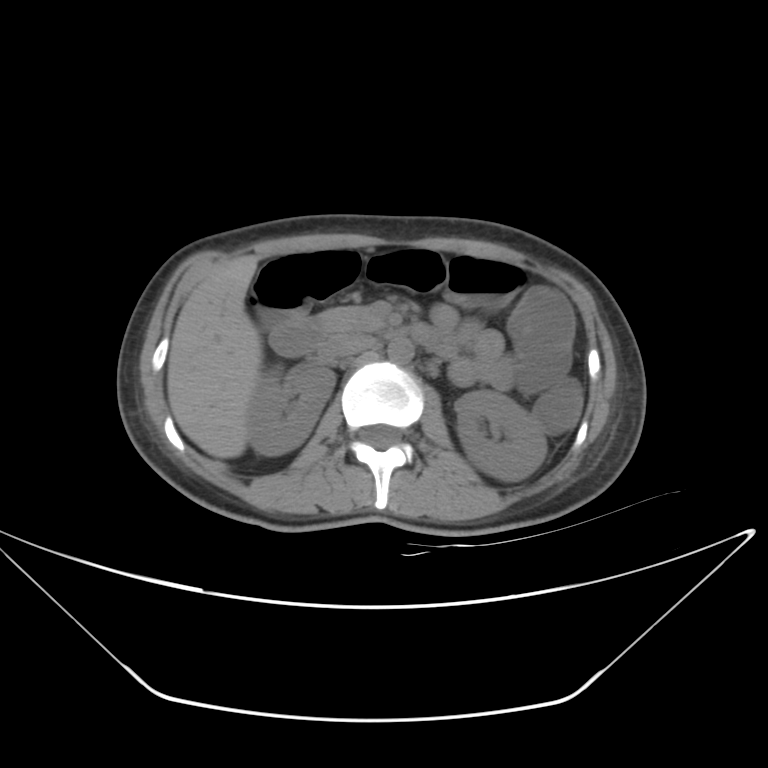 Abdominal CT · axial plane, index 64 · abdomen soft-tissue window
Each box given as x1,y1,x2,y2.
right kidney: x1=248, y1=366, x2=335, y2=456
left kidney: x1=454, y1=390, x2=547, y2=481
liver: x1=166, y1=256, x2=262, y2=457
aorta: x1=387, y1=337, x2=414, y2=363
inferior vena cava: x1=320, y1=333, x2=374, y2=360
pancreas: x1=318, y1=307, x2=384, y2=330
duodenum: x1=269, y1=311, x2=456, y2=359